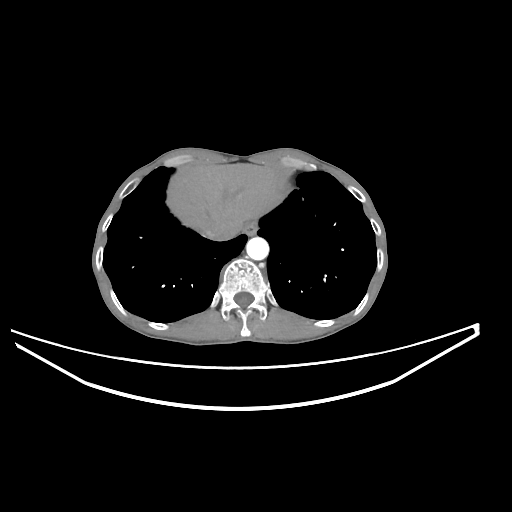

CT abdomen · axial view · 512x512 px
Each box given as x1,y1,x2,y2.
esophagus: x1=243, y1=220, x2=257, y2=235
liver: x1=166, y1=164, x2=278, y2=233
aorta: x1=246, y1=237, x2=269, y2=260
inferior vena cava: x1=204, y1=222, x2=237, y2=240